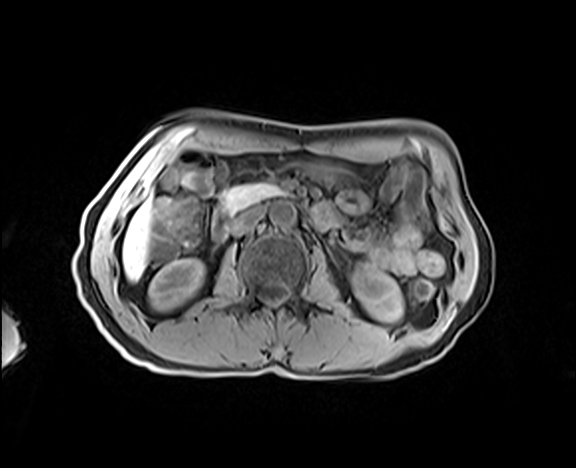

Abdominal MR · Axial slice 18/72 · 1st–99th percentile window
Boxes: x1:y1:x2:y2 in pixels. The annotated organs in this slice are: pancreas at 220:183:287:213, liver at 122:201:151:280, aorta at 270:202:296:226, duodenum at 211:209:230:242, inferior vena cava at 230:207:264:236, right kidney at 148:259:204:310, stomach at 306:161:350:185, left kidney at 351:262:403:321.